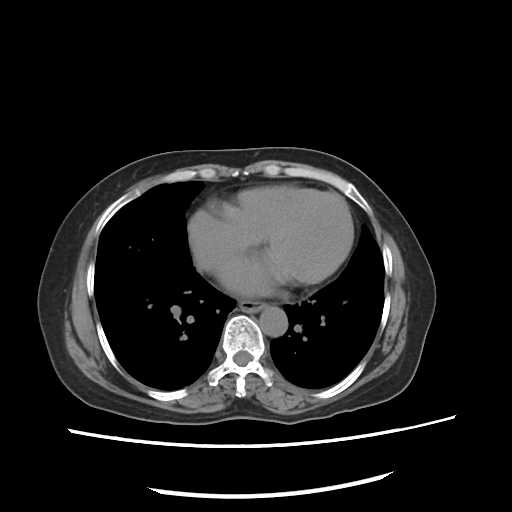

Abdominal CT; this slice is in the lower chest, just above the liver · axial view · soft-tissue window · scan has 15 labeled organs (counted over the whole 3D scan, not this slice; an organ is boxed only where this slice passes through it)
The heart and lungs are never labeled in this dataset, so they have no box on this slice.
<organs><organ name="esophagus" x1="236" y1="299" x2="263" y2="309"/><organ name="aorta" x1="257" y1="306" x2="286" y2="335"/></organs>